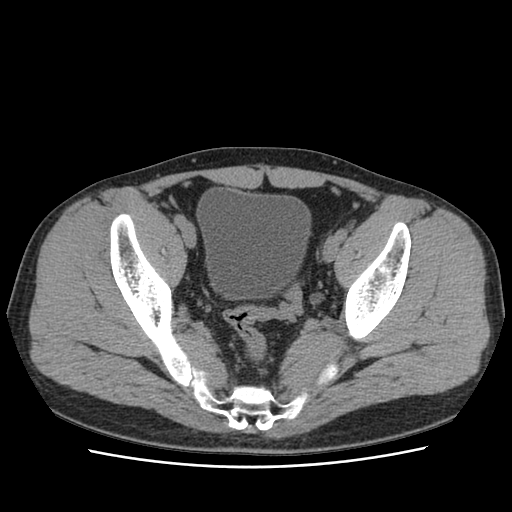
Computed tomography, abdomen — axial view — 512x512 px
Bounding boxes in pixels, one row per box: x1, y1 is the top-left corner and x2, y2 the bottom-right.
| organ | x1 | y1 | x2 | y2 |
|---|---|---|---|---|
| bladder | 195 | 187 | 310 | 300 |